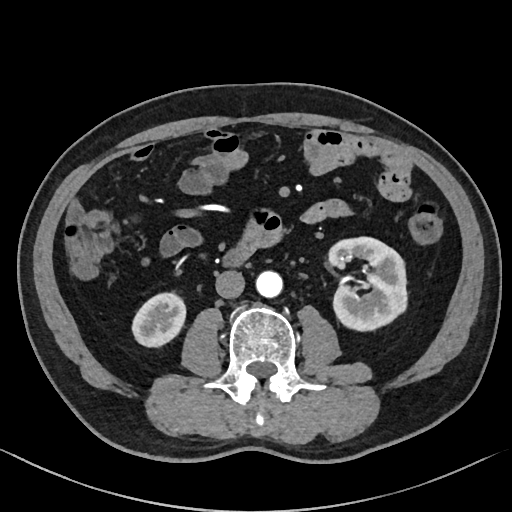 Abdominal CT. axial view. W/L 400/40 HU. 512x512 px
One row per box, in pixels: columns x1 and y1 give the top-left corner, x2 and y2 the bottom-right.
| organ | x1 | y1 | x2 | y2 |
|---|---|---|---|---|
| right kidney | 132 | 292 | 185 | 346 |
| left kidney | 328 | 237 | 407 | 330 |
| aorta | 256 | 271 | 282 | 297 |
| inferior vena cava | 215 | 270 | 244 | 298 |
| duodenum | 224 | 247 | 249 | 266 |